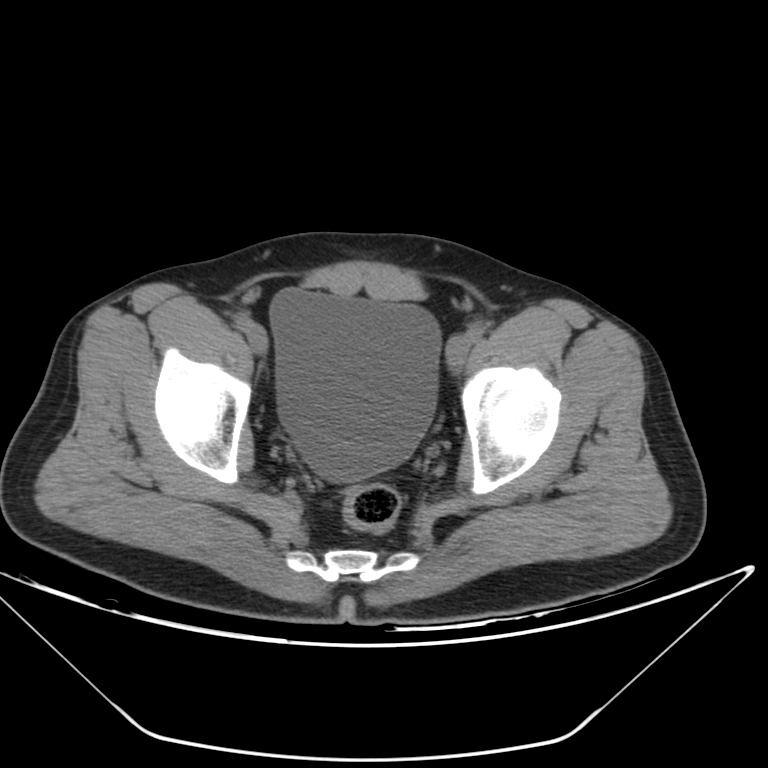

CT abdomen. axial view. abdomen soft-tissue window
Coordinates as <box>x1,y1,x2,y2</box> in pixels. Labeled organs on this slice: bladder at <box>270,288,441,482</box>.